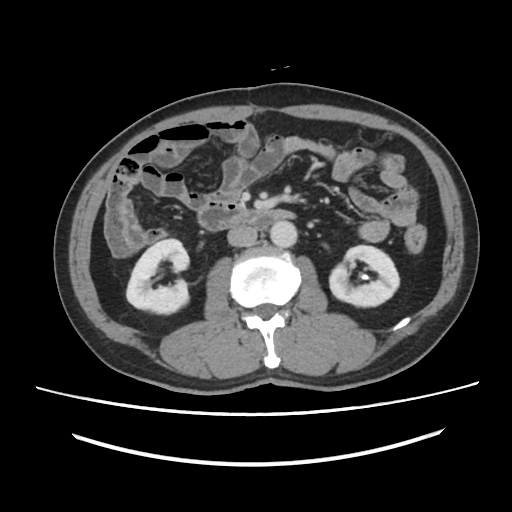 Abdominal CT. axial plane, index 55. 512x512 px. Aquilion ONE scanner. 14 organs annotated in this scan (counted over the whole 3D scan, not this slice; an organ is boxed only where this slice passes through it)
One row per box, in pixels: columns x1 and y1 give the top-left corner, x2 and y2 the bottom-right.
| organ | x1 | y1 | x2 | y2 |
|---|---|---|---|---|
| aorta | 270 | 221 | 297 | 247 |
| right kidney | 126 | 239 | 189 | 313 |
| inferior vena cava | 227 | 225 | 257 | 246 |
| duodenum | 197 | 197 | 295 | 230 |
| left kidney | 329 | 245 | 399 | 306 |